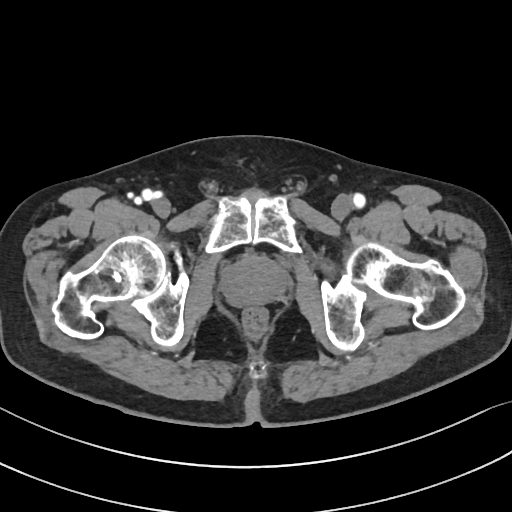

CT abdomen · axial view
Boxes: x1:y1:x2:y2 in pixels.
prostate/uterus: 222:256:286:305